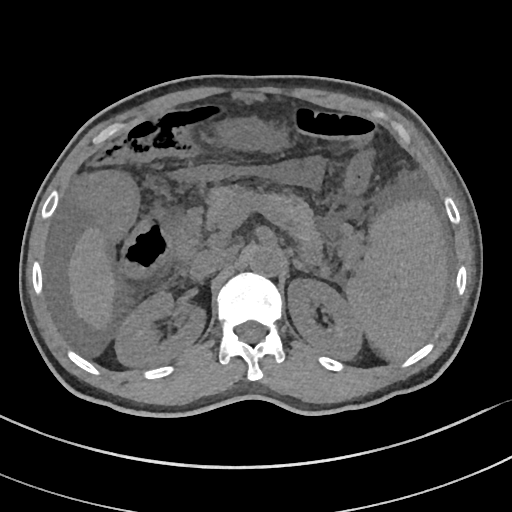
Computed tomography, abdomen; axial view; soft-tissue window; 512x512 px
Each box given as x1,y1,x2,y2.
spleen: x1=345, y1=200, x2=447, y2=360
right kidney: x1=115, y1=291, x2=205, y2=366
left kidney: x1=287, y1=279, x2=363, y2=359
liver: x1=68, y1=227, x2=115, y2=329
stomach: x1=219, y1=117, x2=285, y2=150
aorta: x1=249, y1=245, x2=282, y2=276
inferior vena cava: x1=190, y1=248, x2=235, y2=279
pancreas: x1=189, y1=185, x2=323, y2=259
left adrenal gland: x1=293, y1=258, x2=311, y2=272
duodenum: x1=174, y1=209, x2=204, y2=263